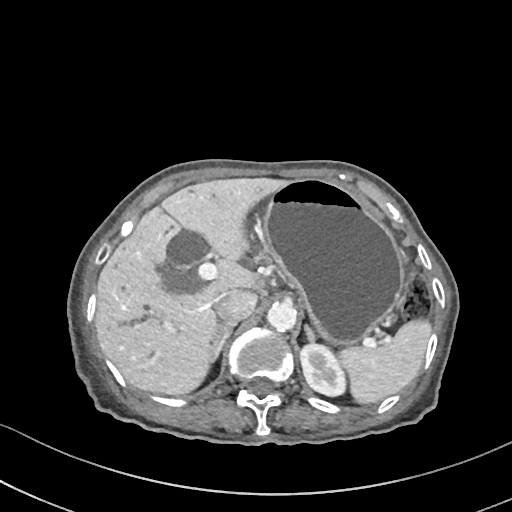 CT abdomen. axial view
<organs><organ name="spleen" x1="336" y1="319" x2="433" y2="404"/><organ name="left kidney" x1="300" y1="342" x2="345" y2="395"/><organ name="gall bladder" x1="163" y1="270" x2="202" y2="293"/><organ name="liver" x1="96" y1="177" x2="298" y2="396"/><organ name="stomach" x1="265" y1="179" x2="401" y2="347"/><organ name="aorta" x1="266" y1="301" x2="296" y2="332"/><organ name="inferior vena cava" x1="216" y1="290" x2="257" y2="322"/><organ name="right adrenal gland" x1="214" y1="323" x2="237" y2="360"/><organ name="left adrenal gland" x1="305" y1="327" x2="315" y2="341"/></organs>